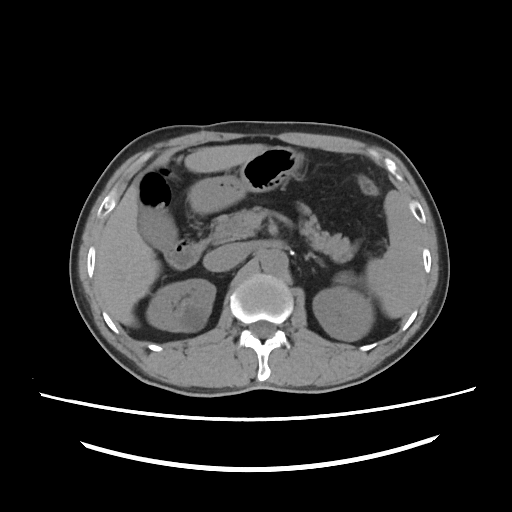

Computed tomography, abdomen; axial plane, index 65; 55-year-old male patient; 15 organs annotated in this scan (a whole-scan count: organs this slice does not pass through have no box)
Organ boxes in pixel coordinates; each row gives the top-left (x1, y1) and bottom-right (x2, y2) corners.
| organ | x1 | y1 | x2 | y2 |
|---|---|---|---|---|
| stomach | 189 | 146 | 301 | 212 |
| aorta | 260 | 250 | 286 | 272 |
| spleen | 333 | 190 | 422 | 318 |
| gall bladder | 140 | 206 | 176 | 249 |
| pancreas | 210 | 204 | 352 | 262 |
| left kidney | 312 | 285 | 373 | 342 |
| duodenum | 166 | 241 | 205 | 267 |
| left adrenal gland | 305 | 252 | 323 | 266 |
| right kidney | 145 | 278 | 215 | 331 |
| inferior vena cava | 203 | 244 | 246 | 272 |
| liver | 96 | 144 | 269 | 325 |